CT, abdomen/pelvis · axial plane, index 124
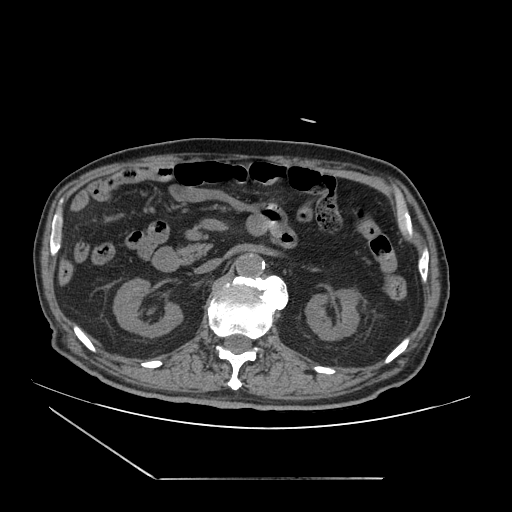 Bounding boxes as [x1, y1, x2, y2] in pixel coordinates.
Organ bounding boxes:
- pancreas: [178, 243, 211, 263]
- right kidney: [113, 278, 182, 337]
- left kidney: [305, 289, 359, 340]
- duodenum: [152, 247, 181, 271]
- inferior vena cava: [194, 258, 221, 273]
- aorta: [235, 253, 264, 277]